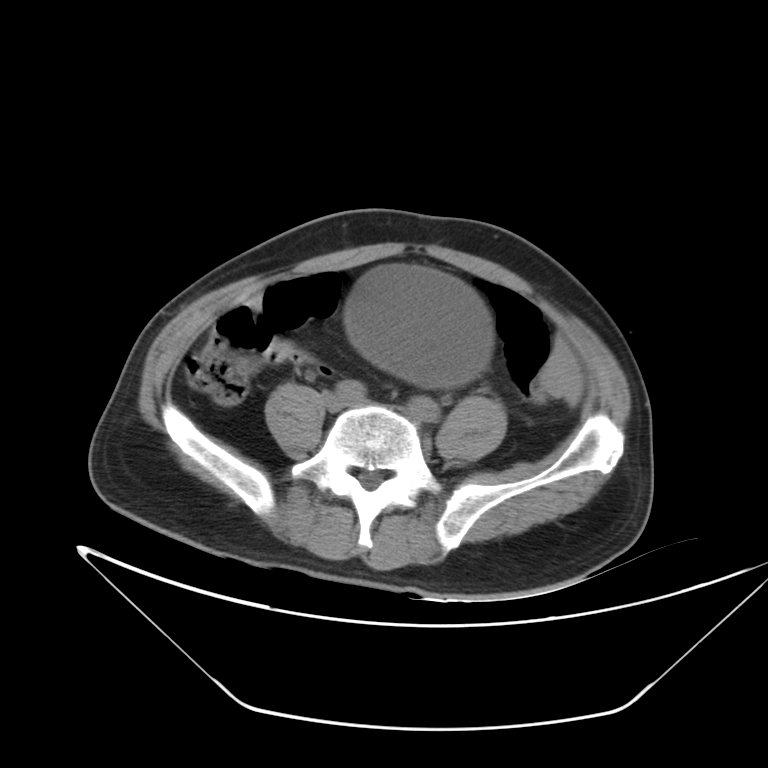

Abdominal CT. Axial slice 45/107
Organ boxes in pixel coordinates; each row gives the top-left (x1, y1) and bottom-right (x2, y2) corners.
| organ | x1 | y1 | x2 | y2 |
|---|---|---|---|---|
| bladder | 348 | 269 | 490 | 391 |